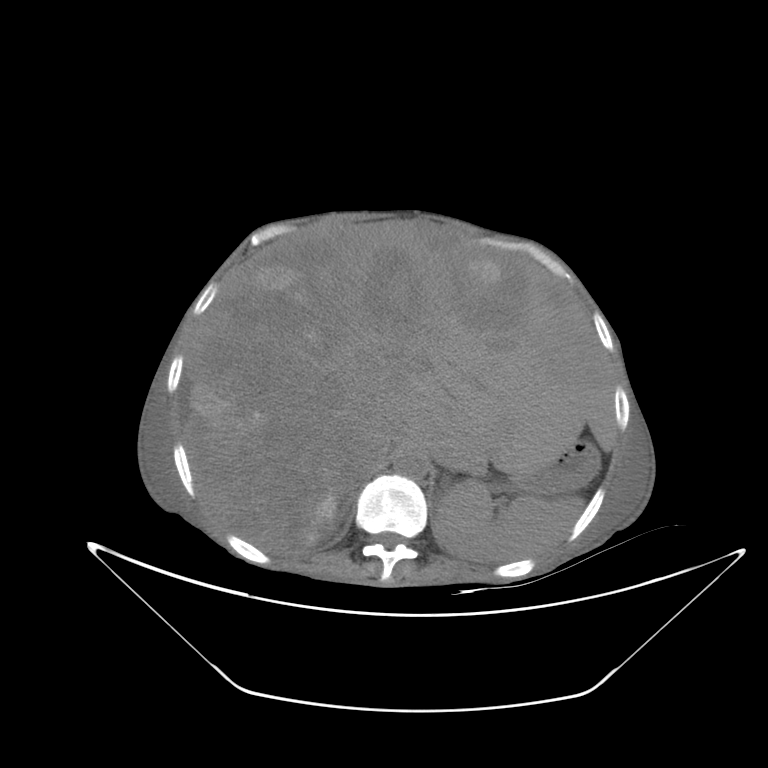
CT, abdomen/pelvis. axial view. 56-year-old male patient
Coordinates as <box>x1,y1,x2,y2</box> in pixels.
liver: <box>185,222,615,556</box>
stomach: <box>513,442,597,492</box>
spleen: <box>433,479,581,562</box>
inferior vena cava: <box>374,420,406,462</box>
right adrenal gland: <box>336,493,354,521</box>
aorta: <box>393,450,428,479</box>